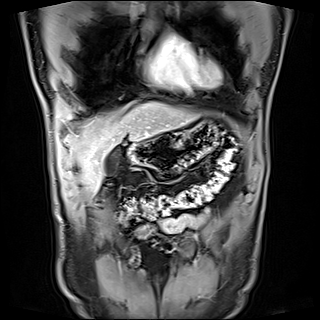

MRI, abdomen; Coronal slice 50/60; 320x320 px
Boxes: x1:y1:x2:y2 in pixels.
gall bladder: 103:148:118:175
liver: 78:102:194:191
stomach: 129:122:218:175